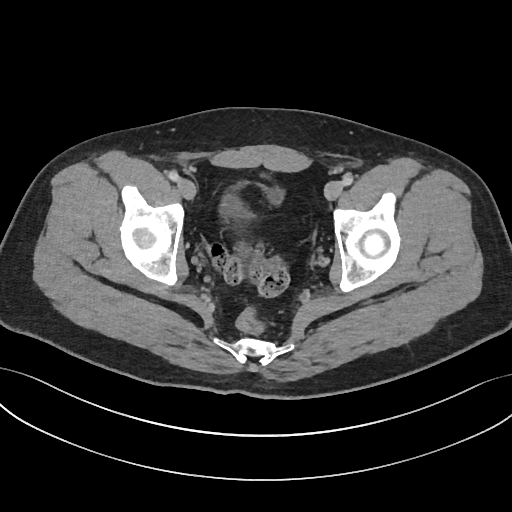
CT abdomen — axial plane, index 46
<organs><organ name="bladder" x1="220" y1="180" x2="282" y2="218"/></organs>